Abdominal CT. axial view. soft-tissue window (W 400 / L 40). 71-year-old female patient. acquired on Aquilion ONE
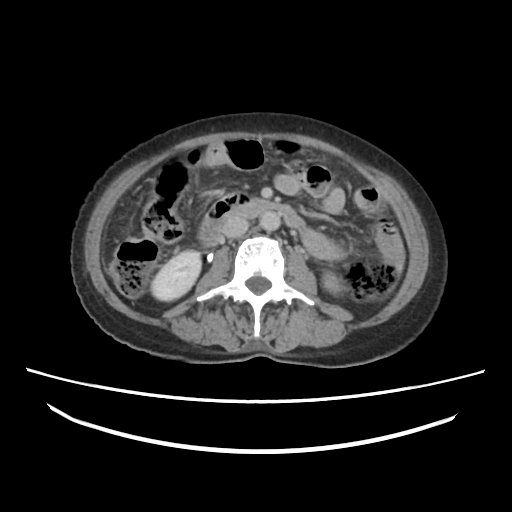
One row per box, in pixels: columns x1 and y1 give the top-left corner, x2 and y2 the bottom-right.
| organ | x1 | y1 | x2 | y2 |
|---|---|---|---|---|
| duodenum | 199 | 194 | 305 | 244 |
| inferior vena cava | 222 | 215 | 248 | 237 |
| right kidney | 151 | 250 | 200 | 300 |
| left kidney | 324 | 271 | 340 | 291 |
| aorta | 258 | 212 | 279 | 229 |